Abdominal CT; this slice is in the lower chest, just above the liver. axial plane, index 216. soft-tissue window (W 400 / L 40)
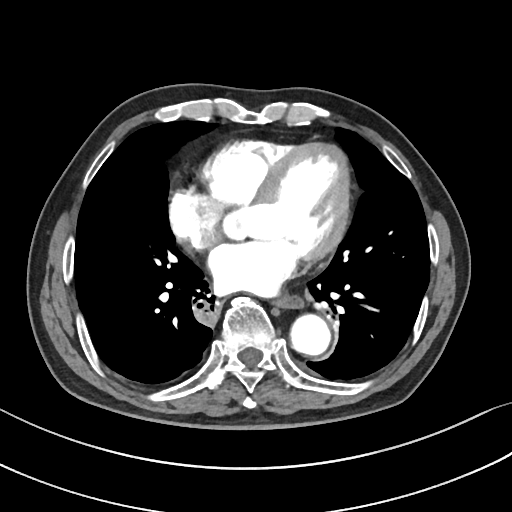
The heart and lungs are never labeled in this dataset, so they have no box on this slice. Each box given as x1,y1,x2,y2. 2 labeled organs on this slice — esophagus at x1=275, y1=296, x2=303, y2=308; aorta at x1=290, y1=314, x2=330, y2=355.